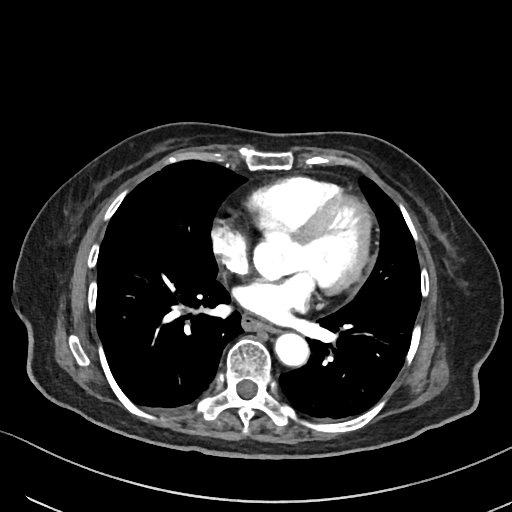

CT of the abdomen reaching into the lower chest, slice just above the liver and spleen. axial view. soft-tissue window, W/L 400/40. 15 organs annotated in this scan (a whole-scan count: organs this slice does not pass through have no box)
No part of the heart or lungs is labeled in this dataset, so neither has a box here.
{"organs":{"esophagus":[242,317,278,332],"aorta":[275,333,309,366]}}